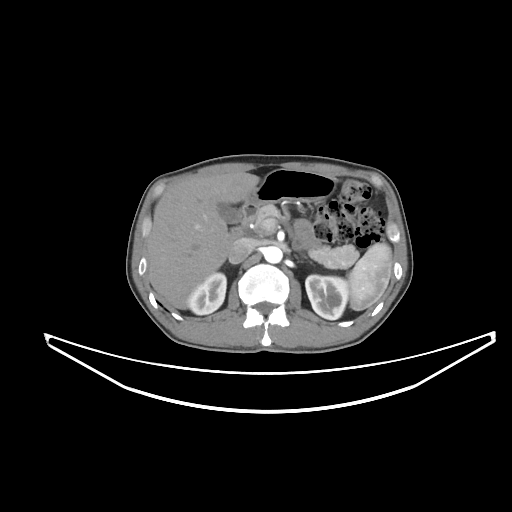
Abdominal CT · axial view · 512x512 px · scan has 15 labeled organs (a whole-scan count: organs this slice does not pass through have no box)
Bounding boxes in pixels, one row per box: x1, y1 is the top-left corner and x2, y2 the bottom-right.
| organ | x1 | y1 | x2 | y2 |
|---|---|---|---|---|
| duodenum | 231 | 204 | 256 | 238 |
| pancreas | 254 | 204 | 359 | 268 |
| gall bladder | 217 | 203 | 241 | 223 |
| inferior vena cava | 228 | 238 | 256 | 263 |
| liver | 147 | 172 | 259 | 308 |
| right kidney | 187 | 272 | 226 | 314 |
| left adrenal gland | 302 | 255 | 310 | 262 |
| left kidney | 305 | 275 | 348 | 319 |
| spleen | 348 | 242 | 391 | 310 |
| aorta | 263 | 246 | 282 | 263 |
| stomach | 245 | 169 | 336 | 207 |